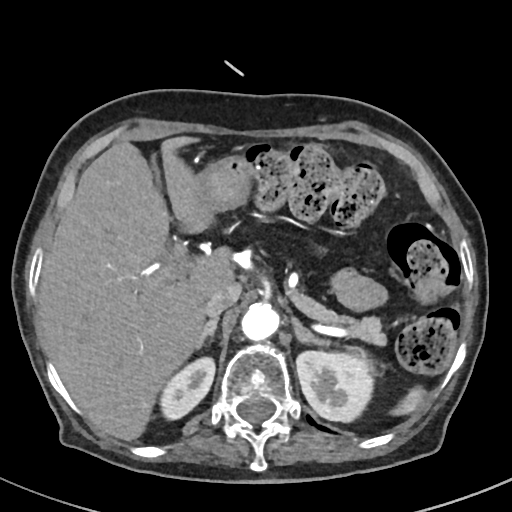 CT, abdomen/pelvis; axial view
Organ boxes in pixel coordinates; each row gives the top-left (x1, y1) and bottom-right (x2, y2) corners.
| organ | x1 | y1 | x2 | y2 |
|---|---|---|---|---|
| spleen | 392 | 387 | 425 | 415 |
| right kidney | 160 | 357 | 215 | 419 |
| left kidney | 296 | 351 | 374 | 422 |
| liver | 38 | 136 | 234 | 440 |
| stomach | 197 | 156 | 250 | 221 |
| aorta | 241 | 302 | 279 | 340 |
| inferior vena cava | 204 | 282 | 241 | 317 |
| pancreas | 293 | 291 | 385 | 345 |
| right adrenal gland | 196 | 316 | 218 | 348 |
| left adrenal gland | 291 | 317 | 328 | 345 |